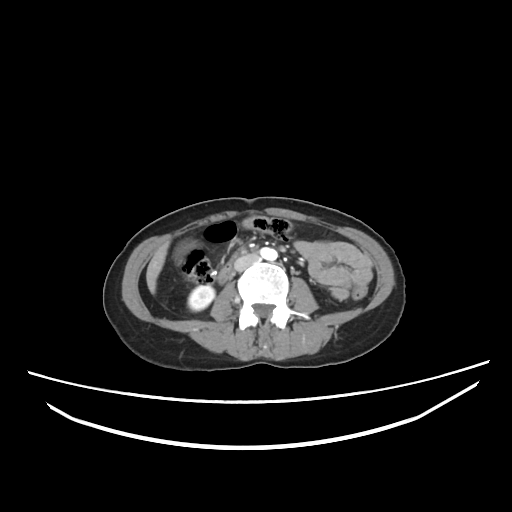 CT abdomen; axial view; 512x512 px; 43-year-old female patient
Bounding boxes as [x1, y1, x2, y2] in pixel coordinates.
Organ bounding boxes:
- liver: [146, 242, 168, 293]
- right kidney: [188, 285, 214, 311]
- aorta: [260, 247, 277, 260]
- gall bladder: [175, 242, 188, 259]
- duodenum: [218, 266, 229, 282]
- inferior vena cava: [234, 254, 260, 271]